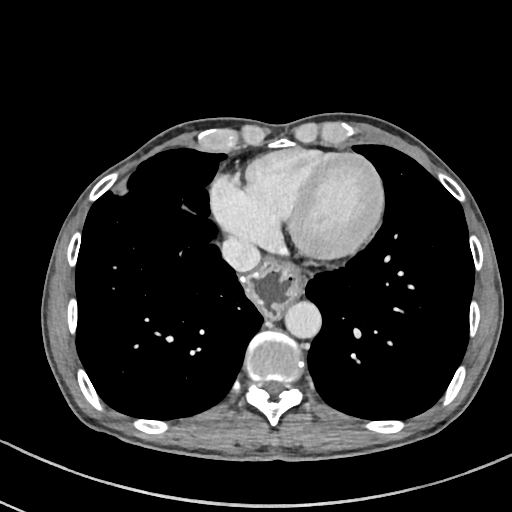

CT of the abdomen reaching into the lower chest, slice just above the liver and spleen · axial view
The heart and lungs are never labeled in this dataset, so they have no box on this slice.
{"organs":{"aorta":[285,301,321,338],"inferior vena cava":[221,238,261,271],"esophagus":[246,261,303,318]}}